Abdominal CT · axial view · soft-tissue window (W 400 / L 40) · 512x512 px · scan has 15 labeled organs (counted over the whole 3D scan, not this slice; an organ is boxed only where this slice passes through it)
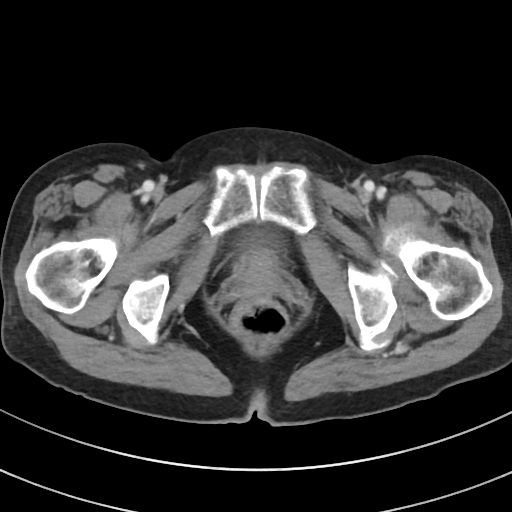 Boxes: x1 y1 x2 y2 (pixel coords, space-separated).
bladder: 243 230 272 245
prostate/uterus: 234 247 281 286